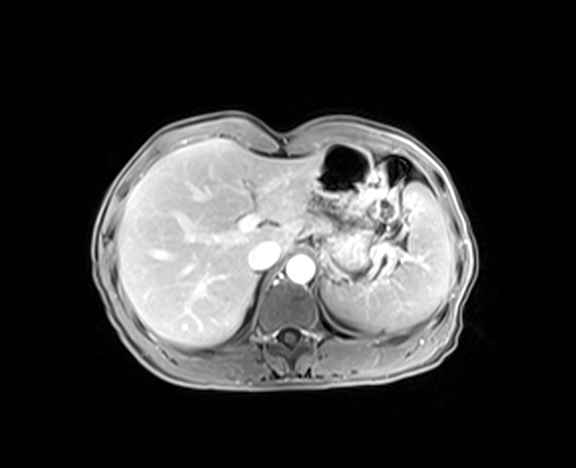
MRI, abdomen — axial view — 1st–99th percentile window — 576x468 px — scan has 13 labeled organs (that count is for the whole scan; organs this slice misses have no box)
<organs><organ name="stomach" x1="317" y1="142" x2="372" y2="267"/><organ name="inferior vena cava" x1="249" y1="241" x2="280" y2="272"/><organ name="spleen" x1="325" y1="183" x2="452" y2="332"/><organ name="aorta" x1="287" y1="257" x2="314" y2="283"/><organ name="pancreas" x1="312" y1="218" x2="329" y2="232"/><organ name="liver" x1="117" y1="138" x2="322" y2="346"/></organs>